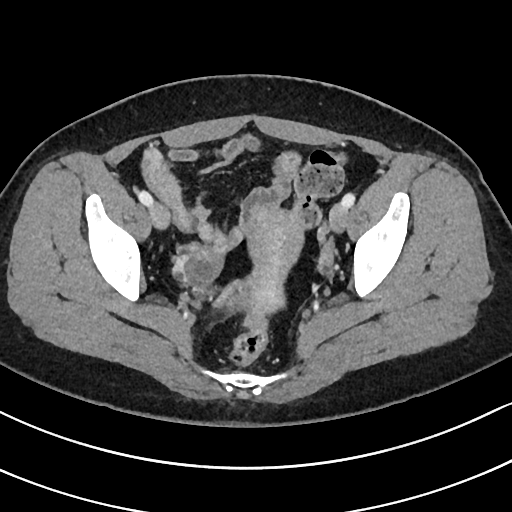
CT, abdomen/pelvis; axial view
One row per box, in pixels: columns x1 and y1 give the top-left corner, x2 and y2 the bottom-right.
| organ | x1 | y1 | x2 | y2 |
|---|---|---|---|---|
| prostate/uterus | 246 | 207 | 302 | 314 |